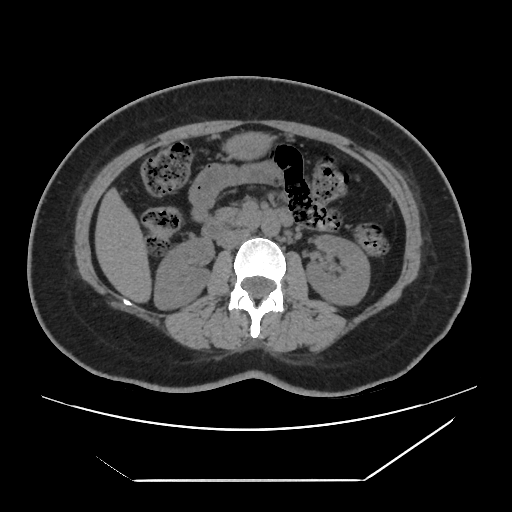 Computed tomography, abdomen · axial view · acquired on SOMATOM Force
{"organs":{"right kidney":[154,238,213,308],"left kidney":[306,234,370,304],"liver":[95,189,151,302],"stomach":[226,133,268,158],"aorta":[261,219,279,236],"inferior vena cava":[218,227,253,248],"pancreas":[216,208,250,225],"duodenum":[202,208,292,240]}}